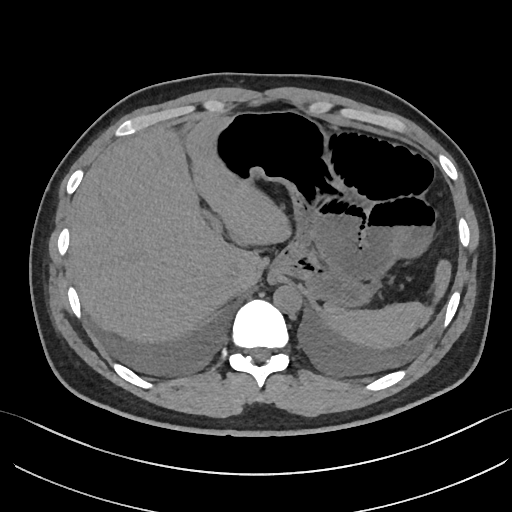

Abdominal CT; axial plane, index 195; scan has 15 labeled organs (that count is for the whole scan; organs this slice misses have no box)
Bounding boxes as [x1, y1, x2, y2] in pixel coordinates.
Organ bounding boxes:
- aorta: [273, 285, 302, 313]
- inferior vena cava: [223, 268, 242, 292]
- spleen: [322, 260, 451, 349]
- liver: [69, 116, 291, 343]
- stomach: [212, 112, 370, 304]